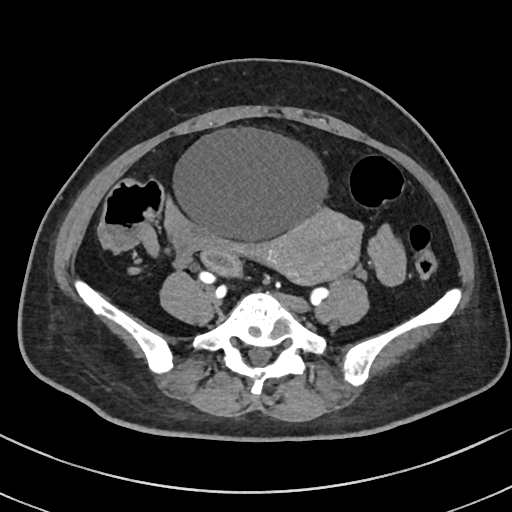 Computed tomography, abdomen · Axial slice 77/191 · 512x512 px
<organs><organ name="bladder" x1="170" y1="126" x2="327" y2="242"/><organ name="prostate/uterus" x1="253" y1="207" x2="364" y2="286"/></organs>